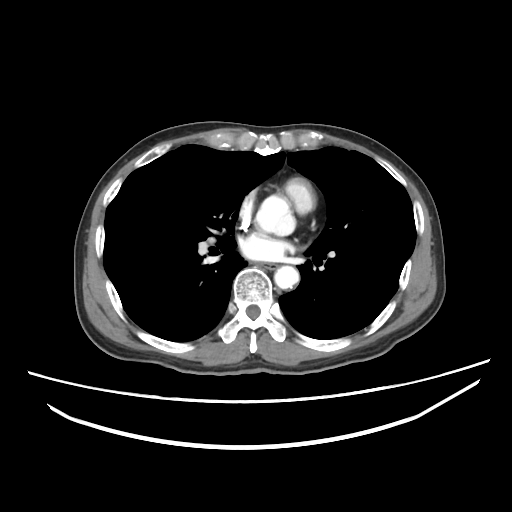 Chest-level slice from an abdominal CT that extends up into the chest · axial view · 512x512 px
At this level of the chest this dataset labels only the esophagus and the aorta, and each is boxed only where it is labeled; the heart and lungs are never labeled.
Boxes are (x1, y1, x2, y2) in pixels.
aorta: (257, 197, 294, 234)
aorta: (274, 266, 300, 290)
esophagus: (262, 263, 277, 269)